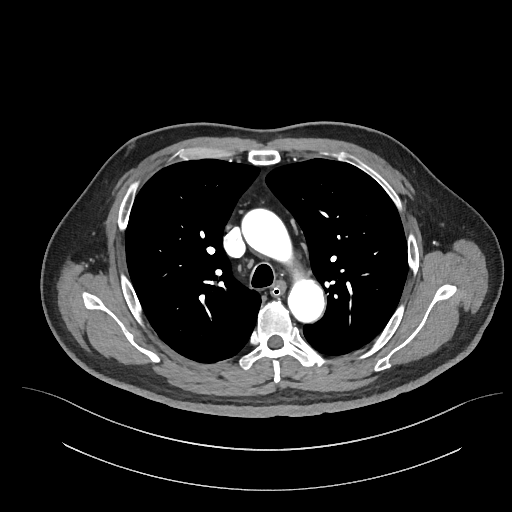
Chest-level slice from an abdominal CT that extends up into the chest. axial view. W/L 400/40 HU. 512x512 px. SOMATOM Force scanner
At this level of the chest no structure but the esophagus and the aorta has a label in this dataset, and those two are boxed only where they are labeled. Box edges are left/top/right/bottom in pixels. Labeled organs on this slice: esophagus at left=272, top=282, right=284, bottom=294, aorta at left=243, top=210, right=324, bottom=321.